Computed tomography, abdomen. axial plane, index 76. soft-tissue window. 62-year-old female patient. Aquilion ONE scanner
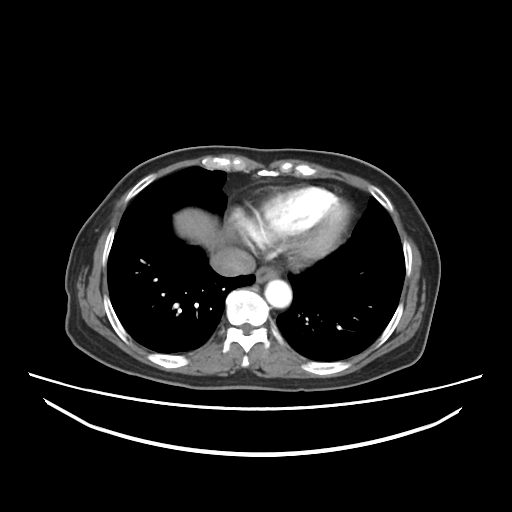

Box edges are left/top/right/bottom in pixels.
Organ bounding boxes:
- esophagus: left=255, top=266, right=277, bottom=282
- liver: left=174, top=208, right=222, bottom=251
- aorta: left=265, top=278, right=291, bottom=307
- inferior vena cava: left=211, top=248, right=256, bottom=275